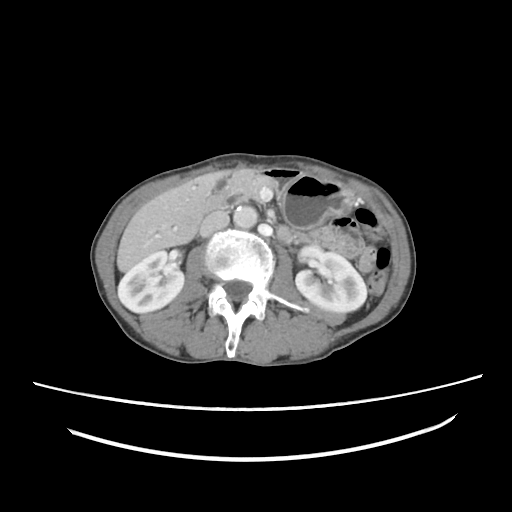
Computed tomography, abdomen · Axial slice 52/79 · 512x512 px · 59-year-old male patient
<organs><organ name="right kidney" x1="118" y1="251" x2="184" y2="312"/><organ name="left kidney" x1="295" y1="246" x2="366" y2="312"/><organ name="gall bladder" x1="213" y1="179" x2="227" y2="194"/><organ name="liver" x1="116" y1="170" x2="230" y2="272"/><organ name="stomach" x1="266" y1="167" x2="355" y2="228"/><organ name="aorta" x1="233" y1="206" x2="257" y2="228"/><organ name="inferior vena cava" x1="199" y1="211" x2="229" y2="236"/><organ name="pancreas" x1="221" y1="170" x2="274" y2="199"/><organ name="duodenum" x1="205" y1="194" x2="294" y2="241"/></organs>